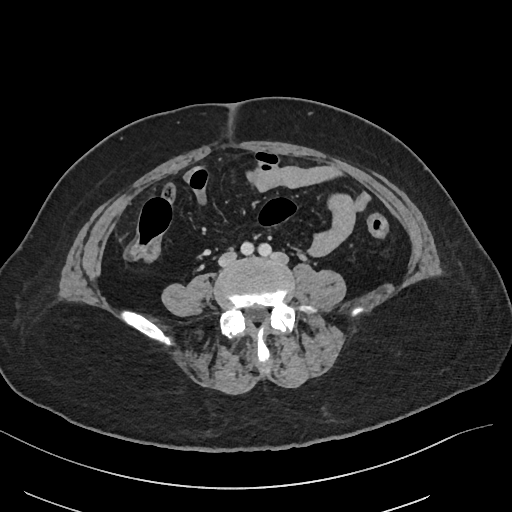 Computed tomography, abdomen. axial plane, index 104. 15 organs annotated in this scan (counted over the whole 3D scan, not this slice; an organ is boxed only where this slice passes through it)
Bounding boxes in pixels, one row per box: x1, y1 is the top-left corner and x2, y2 the bottom-right.
| organ | x1 | y1 | x2 | y2 |
|---|---|---|---|---|
| inferior vena cava | 219 | 252 | 235 | 264 |